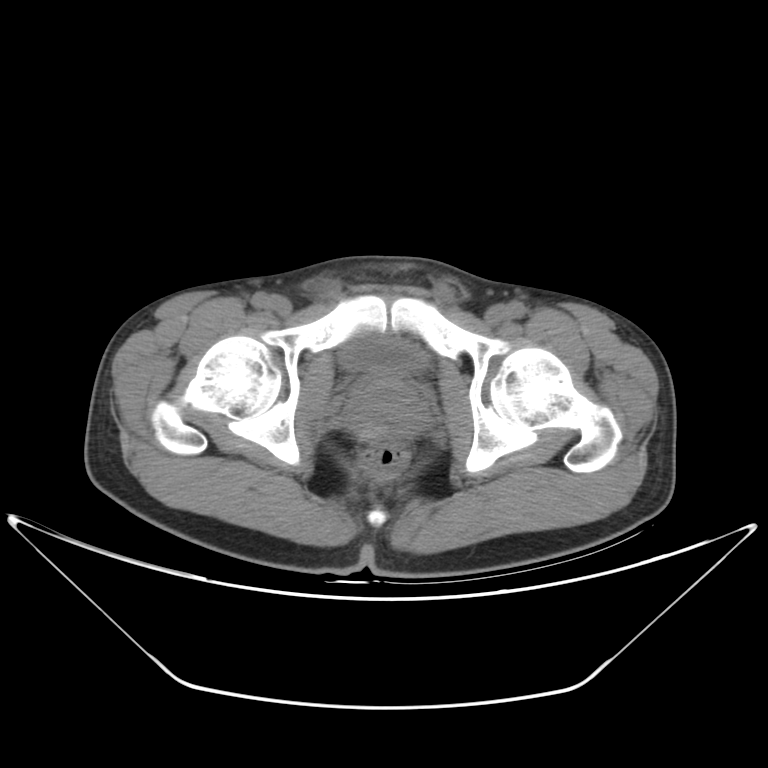
Abdominal CT; axial view; 15 organs annotated in this scan (counted over the whole 3D scan, not this slice; an organ is boxed only where this slice passes through it)
Boxes: x1 y1 x2 y2 (pixel coords, space-separated). Labeled organs on this slice: bladder at 340 332 428 375, prostate/uterus at 349 376 427 439.